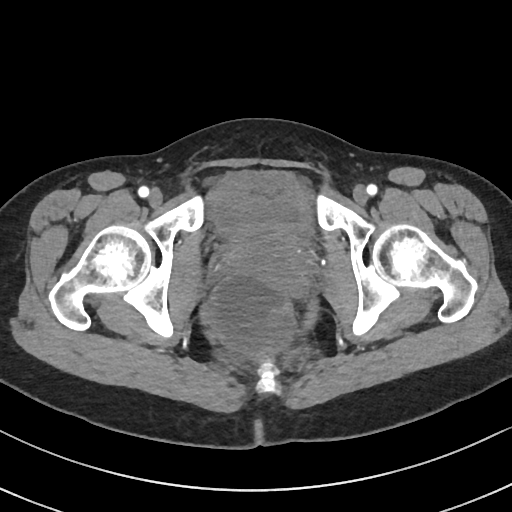 CT abdomen — axial view
{"organs":{"bladder":[215,189,313,237],"prostate/uterus":[233,236,315,289]}}